Computed tomography, abdomen · axial view · abdomen soft-tissue window · acquired on SOMATOM Force
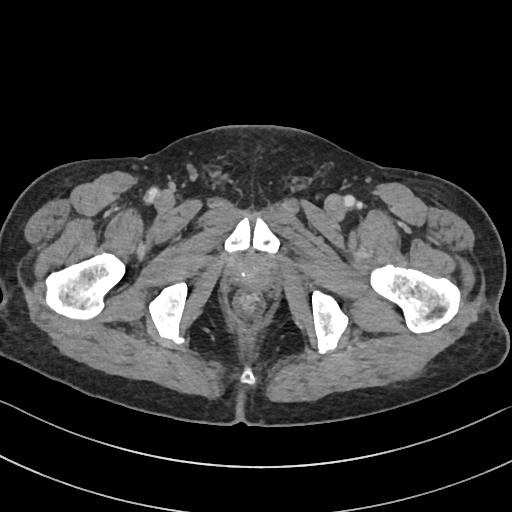

<organs><organ name="prostate/uterus" x1="232" y1="258" x2="271" y2="287"/></organs>